Computed tomography, abdomen · axial view · soft-tissue window · 512x512 px
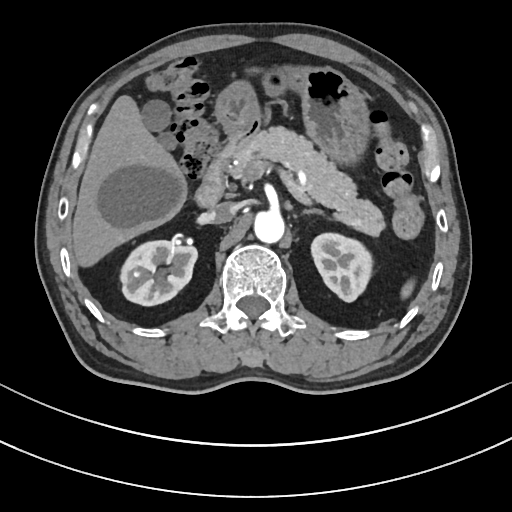
One row per box, in pixels: columns x1 and y1 give the top-left corner, x2 and y2 the bottom-right.
| organ | x1 | y1 | x2 | y2 |
|---|---|---|---|---|
| duodenum | 197 | 117 | 261 | 205 |
| aorta | 253 | 211 | 285 | 244 |
| inferior vena cava | 203 | 203 | 235 | 223 |
| left kidney | 312 | 233 | 371 | 301 |
| pancreas | 229 | 127 | 381 | 238 |
| left adrenal gland | 300 | 209 | 321 | 214 |
| gall bladder | 142 | 101 | 176 | 150 |
| right kidney | 123 | 240 | 197 | 306 |
| liver | 71 | 94 | 188 | 266 |
| spleen | 400 | 280 | 414 | 299 |
| stomach | 216 | 69 | 370 | 179 |